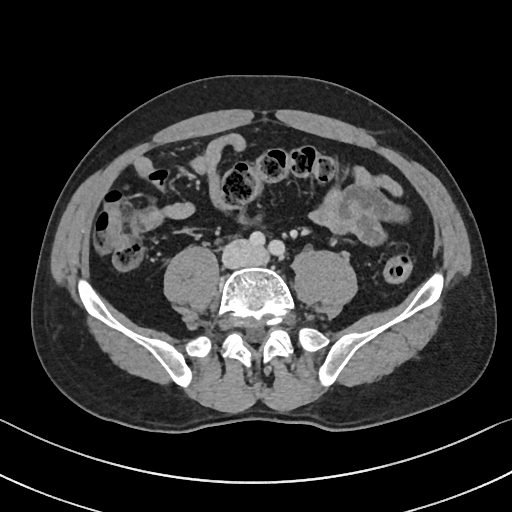

CT, abdomen/pelvis; axial view; W/L 400/40 HU; scan has 15 labeled organs (that count is for the whole scan; organs this slice misses have no box)
{"organs":{"inferior vena cava":[223,239,260,266]}}